Computed tomography, abdomen. axial view. 512x512 px
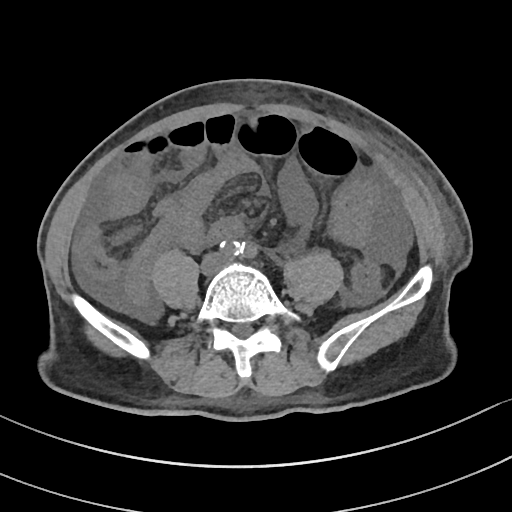
{"organs":{"aorta":[224,241,256,257]}}